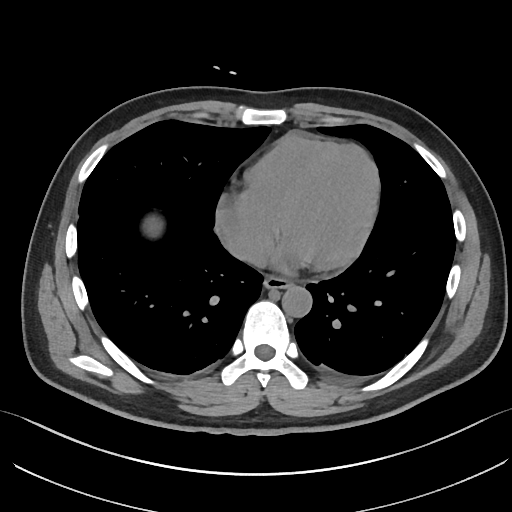

CT abdomen — Axial slice 229/234 — abdomen soft-tissue window
Boxes are (x1, y1, x2, y2) in pixels.
Organ bounding boxes:
- esophagus: (263, 275, 291, 289)
- liver: (146, 217, 162, 232)
- aorta: (281, 285, 311, 317)
- inferior vena cava: (227, 241, 265, 265)